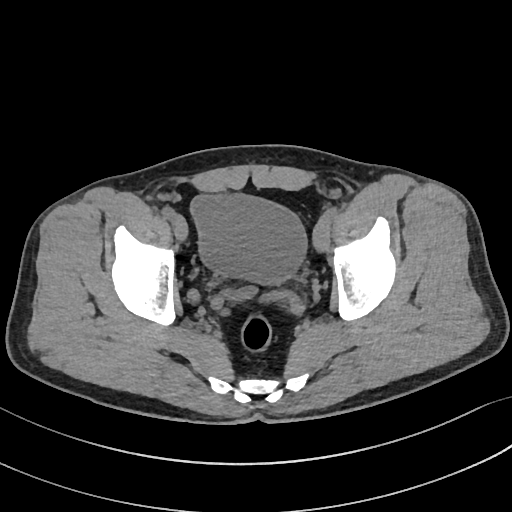
Abdominal CT. axial view. W/L 400/40 HU. 512x512 px
Each box given as x1,y1,x2,y2. Labeled organs on this slice: bladder at x1=190, y1=193, x2=308, y2=284.